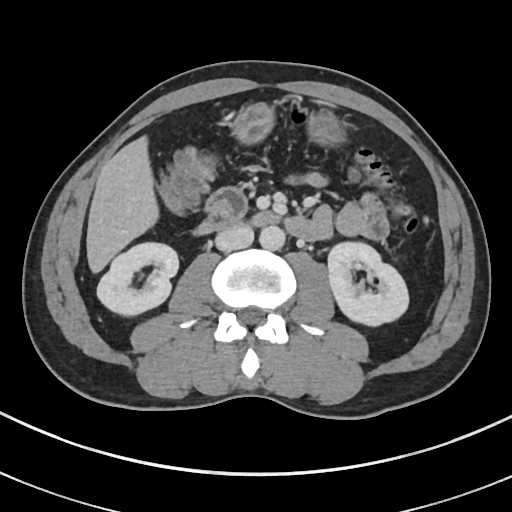 Abdominal CT · axial view · abdomen soft-tissue window · acquired on SOMATOM Force
Each box given as x1,y1,x2,y2. 7 labeled organs on this slice — right kidney at x1=97, y1=242, x2=178, y2=316; left kidney at x1=328, y1=242, x2=408, y2=326; liver at x1=86, y1=136, x2=158, y2=272; stomach at x1=231, y1=101, x2=342, y2=143; aorta at x1=259, y1=225, x2=285, y2=250; inferior vena cava at x1=215, y1=225, x2=254, y2=251; duodenum at x1=195, y1=187, x2=316, y2=239.